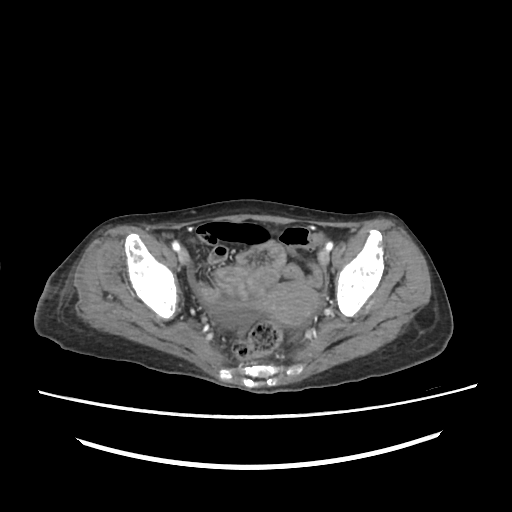 CT, abdomen/pelvis — axial view — scan has 15 labeled organs (a whole-scan count: organs this slice does not pass through have no box)
Box edges are left/top/right/bottom in pixels.
prostate/uterus: left=260, top=282, right=319, bottom=325